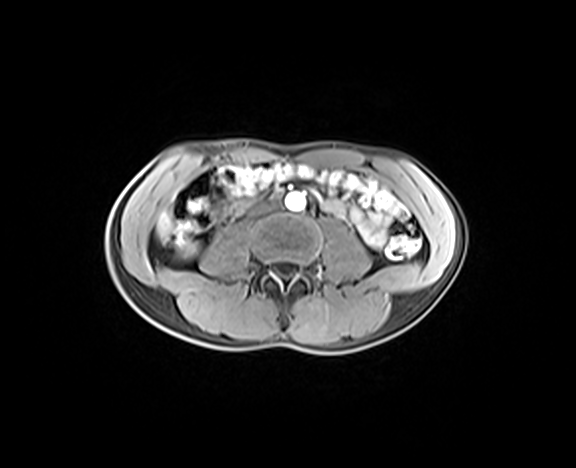
Magnetic resonance imaging, abdomen — axial plane, index 12 — 1st–99th percentile window — scan has 13 labeled organs (counted over the whole 3D scan, not this slice; an organ is boxed only where this slice passes through it)
Bounding boxes as [x1, y1, x2, y2] in pixel coordinates.
Organ bounding boxes:
- right kidney: [179, 242, 200, 257]
- liver: [157, 211, 171, 238]
- aorta: [285, 192, 305, 211]
- inferior vena cava: [248, 202, 270, 214]